Lower-chest slice from an abdominal CT, just above the liver and spleen — axial view — 768x768 px — 56-year-old male patient — 15 organs annotated in this scan (counted over the whole 3D scan, not this slice; an organ is boxed only where this slice passes through it)
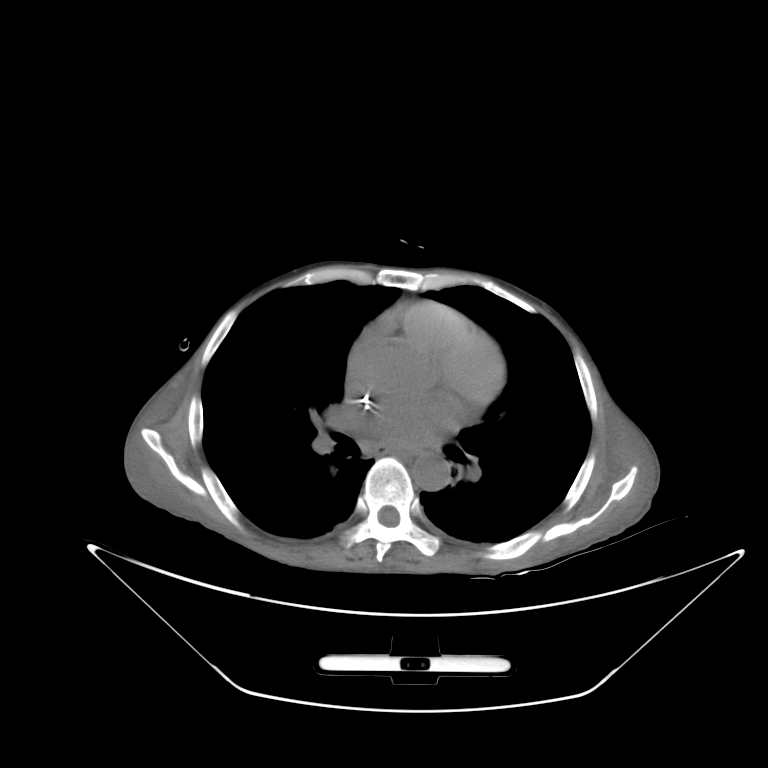
Of the structures in the chest, this dataset labels only the esophagus, the aorta and the inferior vena cava; the heart and lungs have no label.
<organs><organ name="esophagus" x1="377" y1="445" x2="418" y2="459"/><organ name="aorta" x1="412" y1="453" x2="450" y2="491"/></organs>